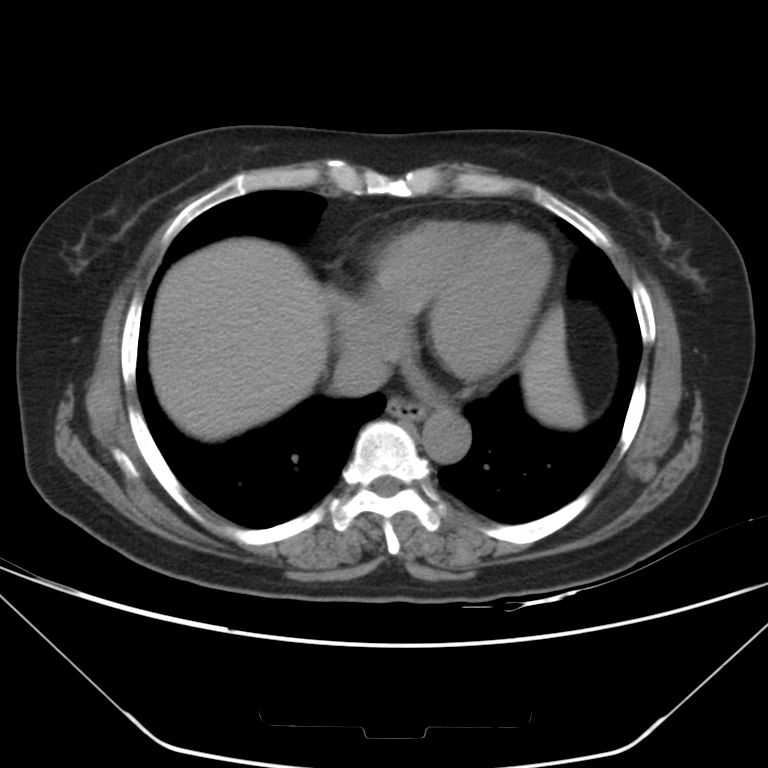 CT, abdomen/pelvis — axial view
<organs><organ name="esophagus" x1="386" y1="396" x2="427" y2="420"/><organ name="inferior vena cava" x1="332" y1="349" x2="389" y2="395"/><organ name="liver" x1="148" y1="238" x2="583" y2="440"/><organ name="aorta" x1="421" y1="409" x2="471" y2="463"/></organs>